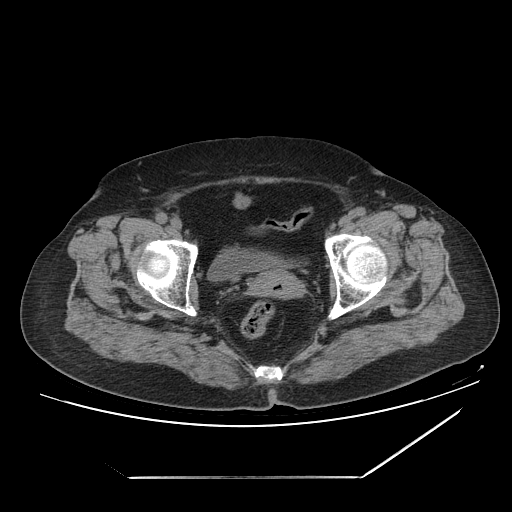
Computed tomography, abdomen — axial view — W/L 400/40 HU — 512x512 px
Bounding boxes as [x1, y1, x2, y2] in pixel coordinates.
bladder: [207, 242, 308, 283]
prostate/uterus: [249, 270, 297, 295]